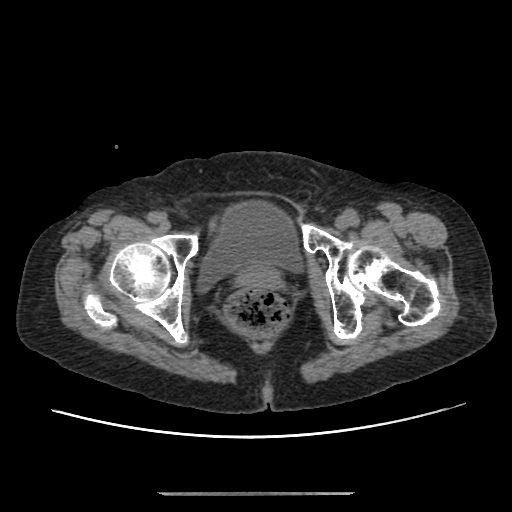
CT abdomen. axial view. SOMATOM Force scanner
Box edges are left/top/right/bottom in pixels.
Organ bounding boxes:
- prostate/uterus: left=238, top=265, right=280, bottom=288
- bladder: left=200, top=202, right=301, bottom=288